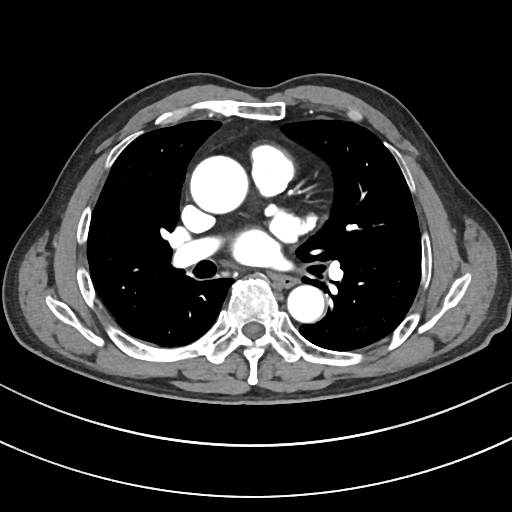 CT of the abdomen extending into the chest, slice through the chest — axial plane, index 217
At this level of the chest no structure but the esophagus and the aorta has a label in this dataset, and those two are boxed only where they are labeled.
Each box given as x1,y1,x2,y2.
esophagus: x1=273, y1=274, x2=297, y2=287
aorta: x1=189, y1=155, x2=247, y2=213
aorta: x1=287, y1=285, x2=324, y2=322